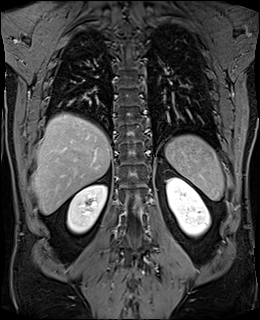

Abdominal MRI; coronal acquisition; 1st–99th percentile window; 260x320 px; 13 organs annotated in this scan (that count is for the whole scan; organs this slice misses have no box)
{"organs":{"left kidney":[166,178,210,236],"spleen":[165,135,223,201],"liver":[32,113,111,214],"right kidney":[67,185,107,233]}}